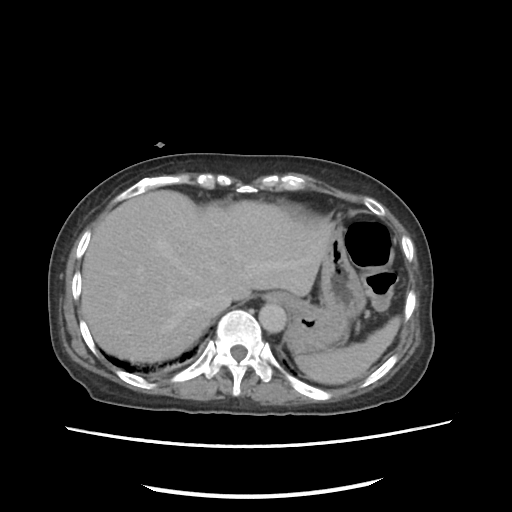
Computed tomography, abdomen. axial view. 14 organs annotated in this scan (that count is for the whole scan; organs this slice misses have no box)
One row per box, in pixels: columns x1 and y1 give the top-left corner, x2 and y2 the bottom-right.
| organ | x1 | y1 | x2 | y2 |
|---|---|---|---|---|
| aorta | 259 | 303 | 286 | 333 |
| spleen | 295 | 316 | 400 | 384 |
| liver | 81 | 190 | 335 | 361 |
| esophagus | 263 | 292 | 290 | 304 |
| inferior vena cava | 203 | 289 | 232 | 315 |
| stomach | 285 | 235 | 366 | 353 |